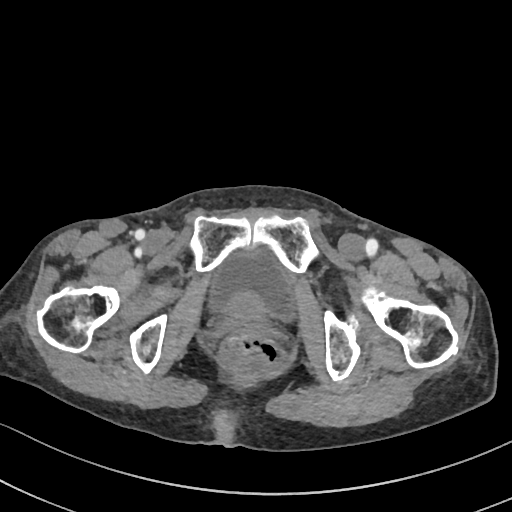
Computed tomography, abdomen. axial plane, index 45. acquired on SOMATOM Force
Bounding boxes as [x1, y1, x2, y2] in pixel coordinates.
bladder: [208, 241, 296, 319]